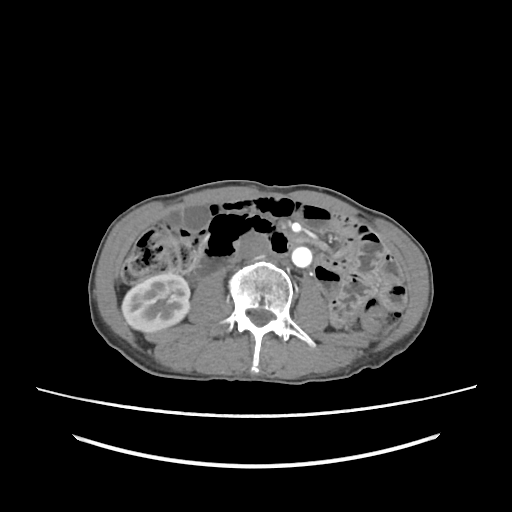

Abdominal CT · axial plane, index 49 · 62-year-old male patient
Boxes: x1 y1 x2 y2 (pixel coords, space-separated). Labeled organs on this slice: right kidney at 122 272 189 332, aorta at 291 247 312 267, inferior vena cava at 237 232 271 259, gall bladder at 169 204 209 230.